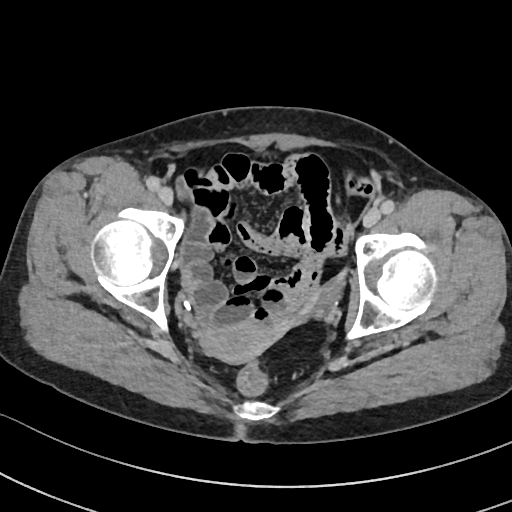 CT, abdomen/pelvis — axial view — soft-tissue window (W 400 / L 40) — SOMATOM Force scanner — scan has 15 labeled organs (a whole-scan count: organs this slice does not pass through have no box)
{"organs":{"prostate/uterus":[200,320,277,363]}}